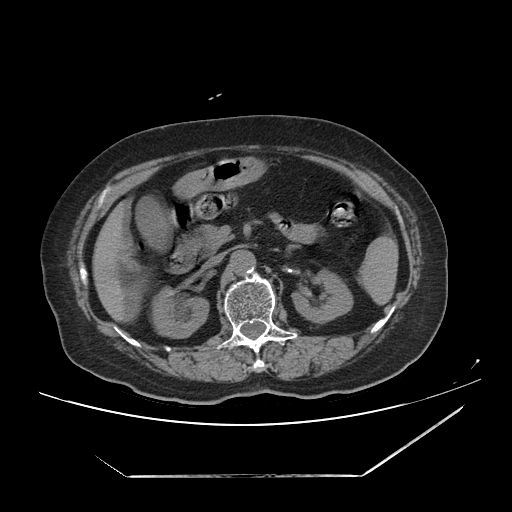

Abdominal CT; Axial slice 115/163; 512x512 px; SOMATOM Force scanner
Box edges are left/top/right/bottom in pixels.
spleen: left=358, top=236, right=398, bottom=305
right kidney: left=150, top=286, right=208, bottom=337
left kidney: left=292, top=269, right=353, bottom=323
gall bladder: left=135, top=195, right=173, bottom=252
liver: left=92, top=198, right=142, bottom=322
stomach: left=174, top=156, right=266, bottom=197
aorta: left=230, top=250, right=255, bottom=275
inferior vena cava: left=204, top=252, right=224, bottom=267
pancreas: left=195, top=224, right=233, bottom=254
duodenum: left=169, top=206, right=197, bottom=273